Abdominal CT — axial plane, index 141 — abdomen soft-tissue window
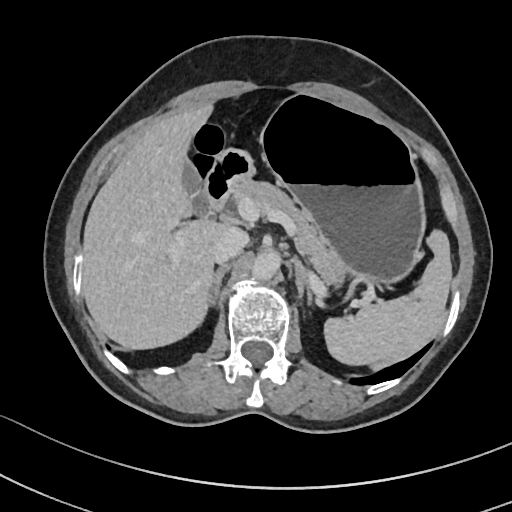

{"organs":{"right adrenal gland":[205,263,229,306],"gall bladder":[180,161,207,216],"aorta":[253,248,283,277],"liver":[82,106,222,349],"spleen":[325,230,451,365],"pancreas":[230,178,347,291],"duodenum":[202,148,255,216],"stomach":[240,93,423,282],"left adrenal gland":[295,259,313,305],"inferior vena cava":[212,226,249,263]}}